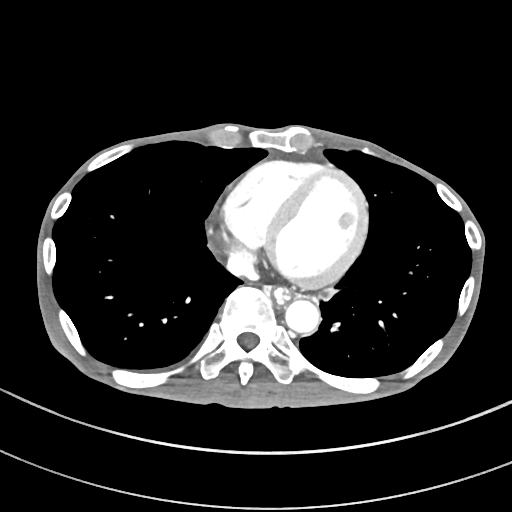

CT abdomen — Axial slice 214/218
Organ boxes in pixel coordinates; each row gives the top-left (x1, y1) and bottom-right (x2, y2) corners.
| organ | x1 | y1 | x2 | y2 |
|---|---|---|---|---|
| aorta | 285 | 299 | 319 | 332 |
| liver | 320 | 287 | 335 | 300 |
| esophagus | 274 | 288 | 289 | 303 |
| inferior vena cava | 227 | 252 | 257 | 279 |